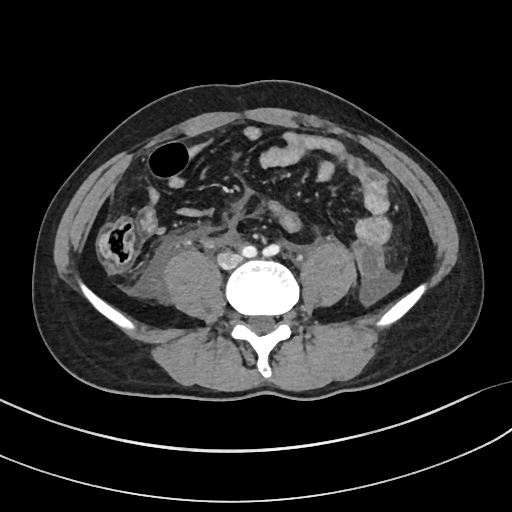

Computed tomography, abdomen · axial view
Organ boxes in pixel coordinates; each row gives the top-left (x1, y1) and bottom-right (x2, y2) corners.
| organ | x1 | y1 | x2 | y2 |
|---|---|---|---|---|
| inferior vena cava | 219 | 253 | 240 | 266 |